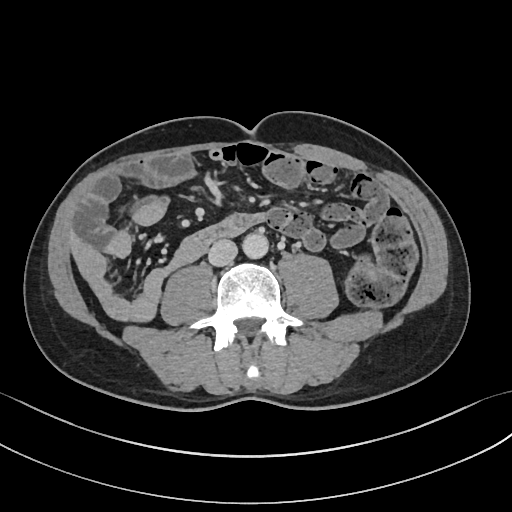

Computed tomography, abdomen; axial view
<organs><organ name="inferior vena cava" x1="208" y1="239" x2="237" y2="266"/><organ name="aorta" x1="242" y1="232" x2="268" y2="258"/></organs>